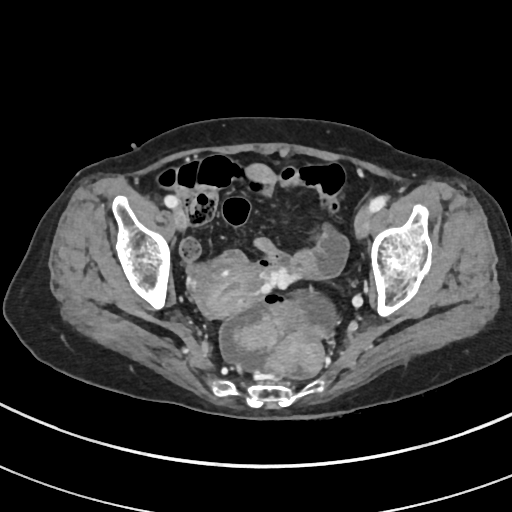

CT, abdomen/pelvis · axial view · 512x512 px · 15 organs annotated in this scan (counted over the whole 3D scan, not this slice; an organ is boxed only where this slice passes through it)
Organ boxes in pixel coordinates; each row gives the top-left (x1, y1) and bottom-right (x2, y2) corners.
| organ | x1 | y1 | x2 | y2 |
|---|---|---|---|---|
| prostate/uterus | 193 | 265 | 262 | 317 |